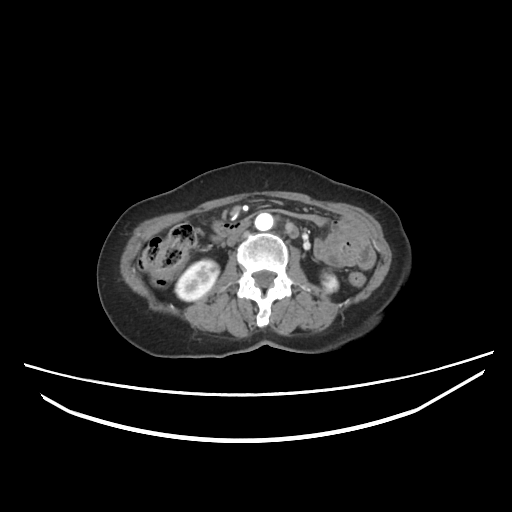
Abdominal CT · Axial slice 58/122 · W/L 400/40 HU · 512x512 px · acquired on Aquilion ONE · scan has 14 labeled organs (that count is for the whole scan; organs this slice misses have no box)
Boxes: x1:y1:x2:y2 in pixels.
right kidney: 176:260:219:298
left kidney: 321:271:338:292
aorta: 254:212:274:230
inferior vena cava: 227:220:249:245